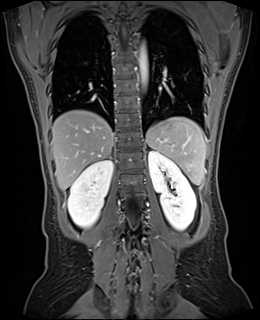 Abdominal MR · coronal view
{"organs":{"spleen":[146,117,206,184],"right kidney":[68,160,113,227],"left kidney":[148,150,196,230],"liver":[51,110,113,190],"aorta":[138,43,148,86],"right adrenal gland":[108,156,112,158]}}